Computed tomography, abdomen · axial plane, index 38 · 512x512 px
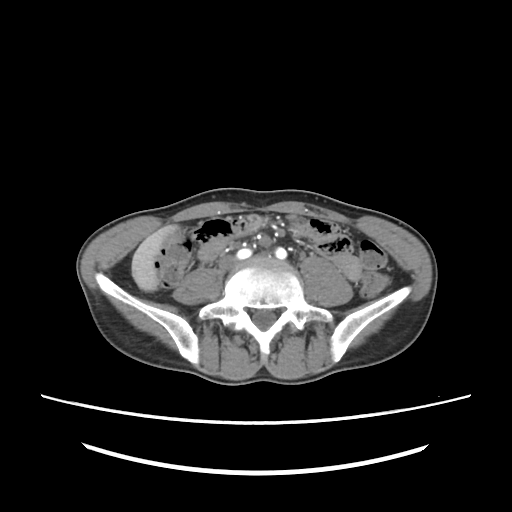 Boxes: x1 y1 x2 y2 (pixel coords, space-separated).
liver: 131 227 173 290